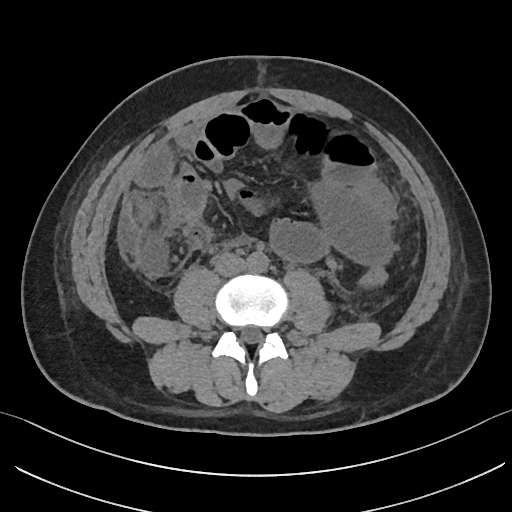 Computed tomography, abdomen; axial plane, index 110; abdomen soft-tissue window; 512x512 px
Bounding boxes as [x1, y1, x2, y2] in pixel coordinates.
aorta: [247, 252, 268, 272]
inferior vena cava: [214, 252, 246, 276]